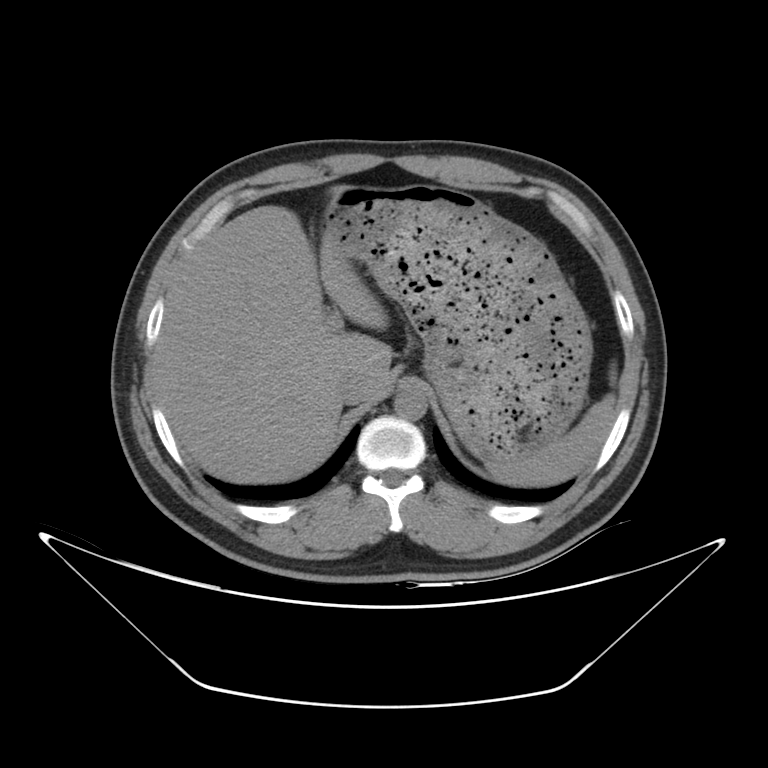
Abdominal CT — axial view
{"organs":{"spleen":[488,395,615,485],"liver":[153,205,391,483],"stomach":[324,185,592,463],"aorta":[394,386,427,420],"inferior vena cava":[334,372,369,404]}}